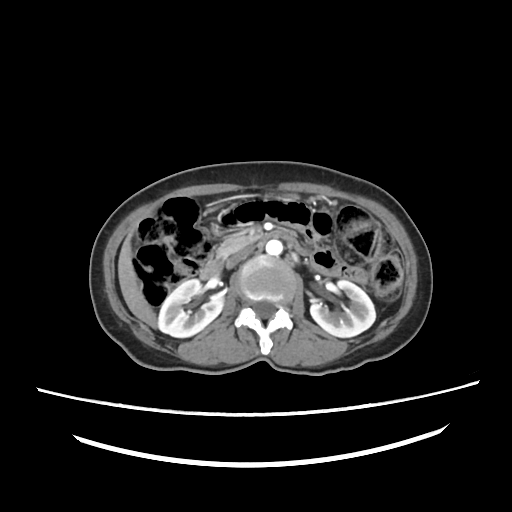 CT abdomen; axial plane, index 52; soft-tissue window (W 400 / L 40); 512x512 px
Boxes: x1 y1 x2 y2 (pixel coords, space-separated). The annotated organs in this slice are: right kidney at 159 279 224 337, left kidney at 309 279 376 337, liver at 117 211 156 327, aorta at 267 240 283 254, inferior vena cava at 226 246 255 267, pancreas at 217 236 259 256, duodenum at 200 262 223 279.